Abdominal CT · axial view · 45-year-old male patient
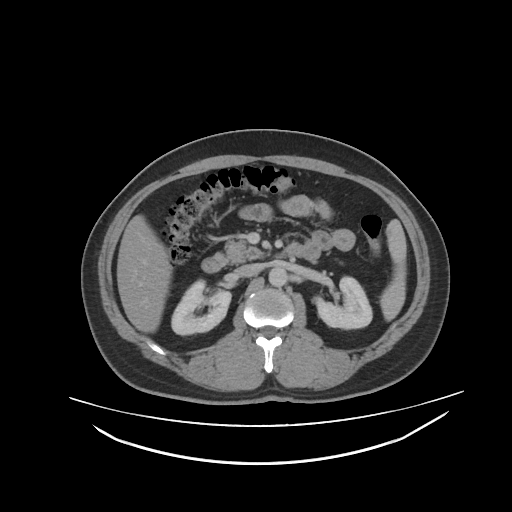 {"organs":{"spleen":[380,218,405,320],"right kidney":[172,279,232,335],"left kidney":[312,276,372,329],"liver":[117,214,172,332],"aorta":[269,266,287,286],"inferior vena cava":[237,263,258,275],"pancreas":[225,237,263,262],"duodenum":[201,243,304,271]}}